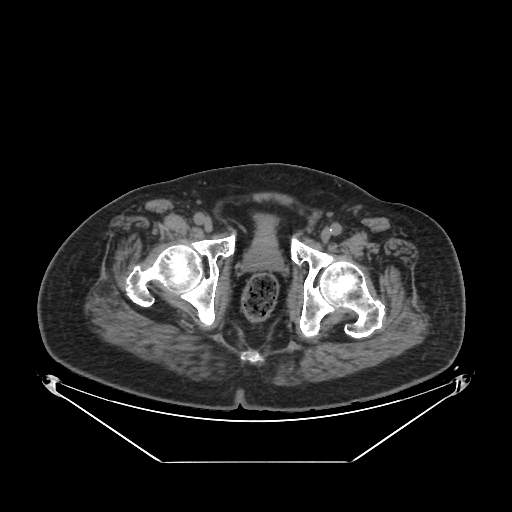 CT, abdomen/pelvis. Axial slice 35/353. 512x512 px
{"organs":{"bladder":[245,213,273,267],"prostate/uterus":[246,240,279,268]}}